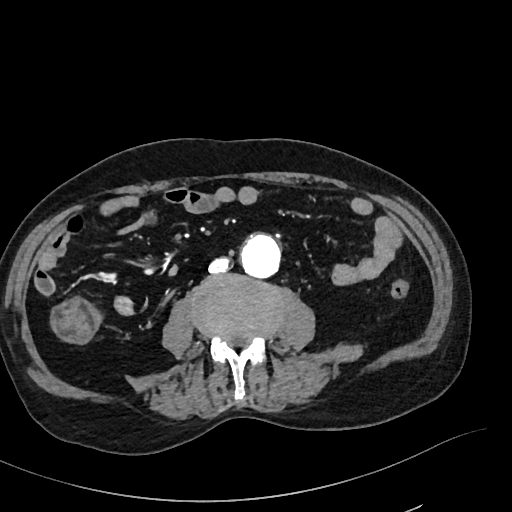
Abdominal CT. Axial slice 116/235. W/L 400/40 HU
Each box given as x1,y1,x2,y2. Labeled organs on this slice: aorta at x1=241, y1=235, x2=281, y2=278, inferior vena cava at x1=207, y1=258, x2=231, y2=273.